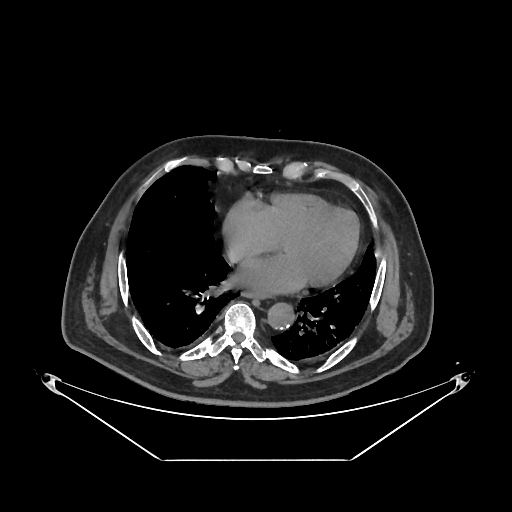
Abdominal CT; this slice is in the lower chest, just above the liver. axial view
The heart and lungs are never labeled in this dataset, so they have no box on this slice.
Bounding boxes as [x1, y1, x2, y2] in pixel coordinates.
Organ bounding boxes:
- aorta: [268, 302, 294, 329]
- esophagus: [241, 291, 269, 298]